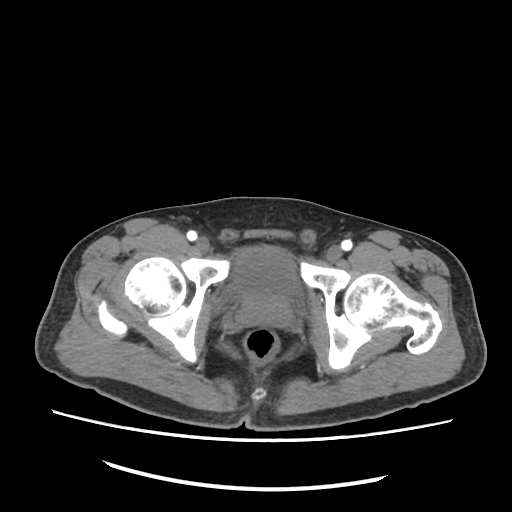
CT abdomen · axial plane, index 16 · W/L 400/40 HU · acquired on Aquilion ONE
Each box given as x1,y1,x2,y2.
bladder: x1=233, y1=248, x2=299, y2=294
prostate/uterus: x1=245, y1=293, x2=287, y2=317